CT, abdomen/pelvis; Axial slice 105/192; 512x512 px; SOMATOM Force scanner
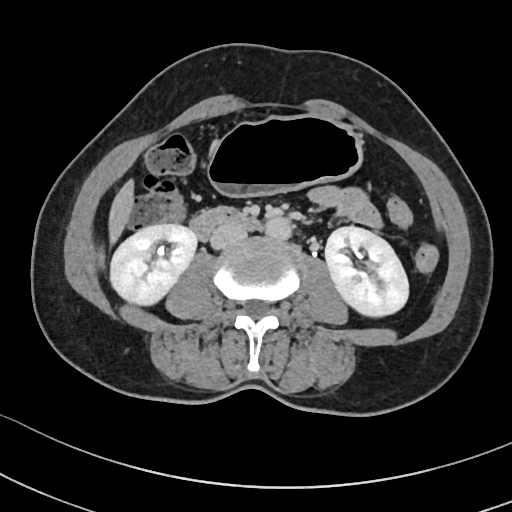 {"organs":{"right kidney":[110,223,196,305],"left kidney":[325,226,408,317],"liver":[111,182,132,239],"stomach":[208,116,361,199],"aorta":[263,216,290,239],"inferior vena cava":[211,223,247,248],"duodenum":[190,205,254,239]}}